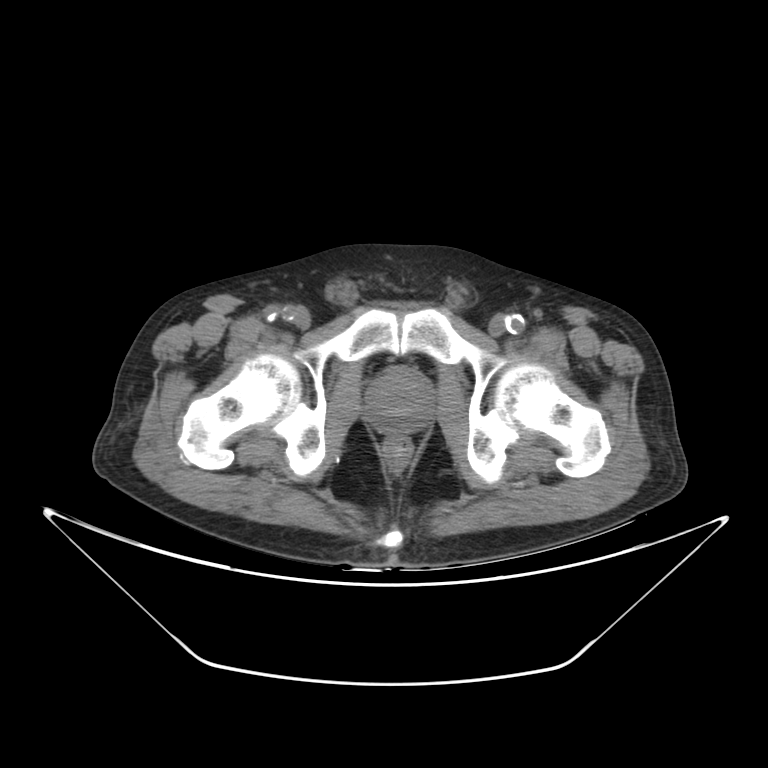 CT, abdomen/pelvis; Axial slice 13/94; abdomen soft-tissue window
{"organs":{"prostate/uterus":[367,368,433,430]}}